Abdominal MR — axial view — percentile-normalized — 576x468 px
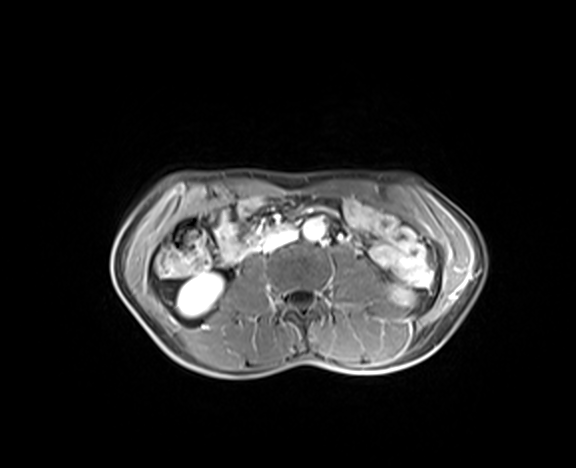
<organs><organ name="aorta" x1="303" y1="219" x2="325" y2="240"/><organ name="left kidney" x1="391" y1="286" x2="412" y2="303"/><organ name="inferior vena cava" x1="260" y1="229" x2="297" y2="252"/><organ name="right kidney" x1="177" y1="273" x2="223" y2="317"/><organ name="duodenum" x1="243" y1="223" x2="294" y2="248"/></organs>